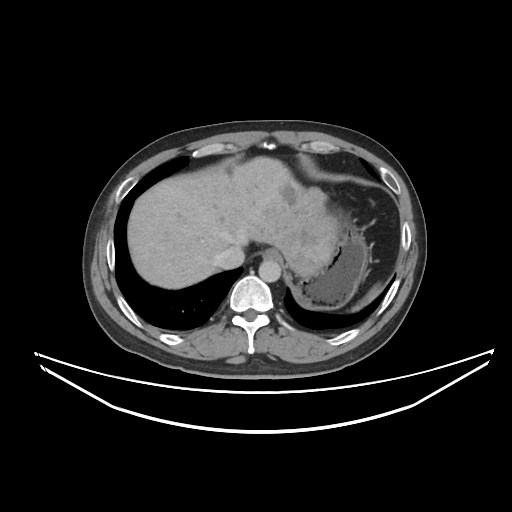
Computed tomography, abdomen; axial view; 40-year-old male patient
{"organs":{"spleen":[352,286,380,310],"esophagus":[263,250,277,258],"liver":[127,156,339,288],"stomach":[295,211,368,309],"aorta":[258,259,281,282],"inferior vena cava":[216,246,244,269]}}